CT, abdomen/pelvis — axial plane, index 50 — abdomen soft-tissue window — Brilliance16 scanner
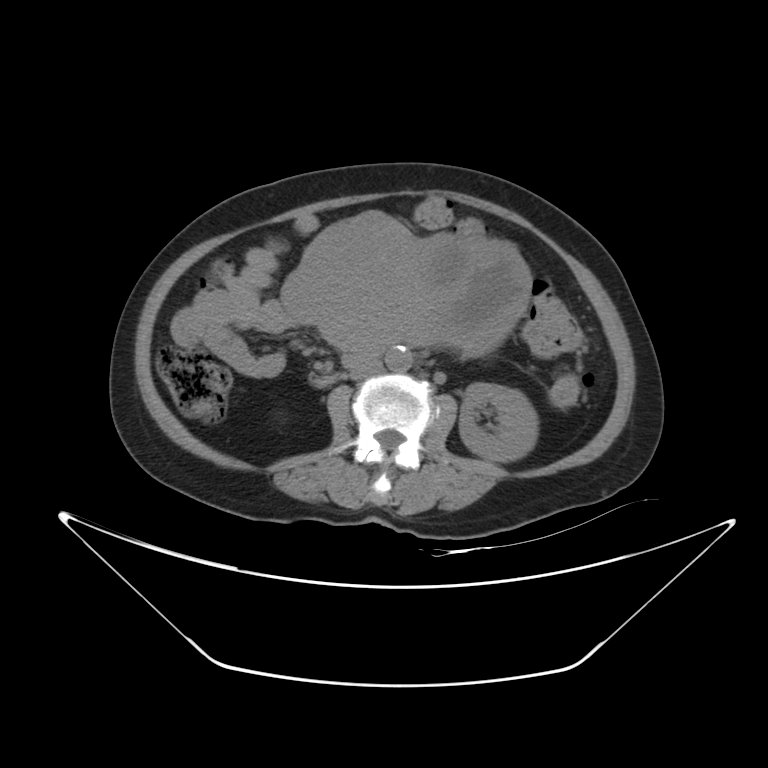 Box edges are left/top/right/bottom in pixels.
left kidney: left=458, top=382, right=537, bottom=461
stomach: left=281, top=211, right=530, bottom=356
aorta: left=385, top=347, right=412, bottom=371
inferior vena cava: left=348, top=358, right=382, bottom=380
duodenum: left=314, top=353, right=370, bottom=386